CT, abdomen/pelvis · Axial slice 26/83 · 768x768 px · 38-year-old female patient · scan has 15 labeled organs (counted over the whole 3D scan, not this slice; an organ is boxed only where this slice passes through it)
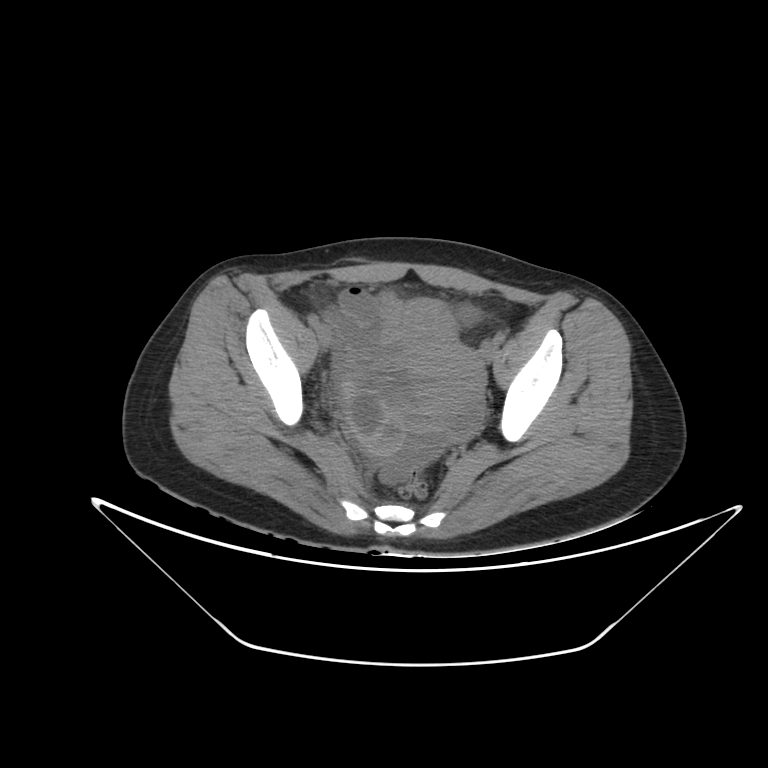 Boxes: x1:y1:x2:y2 in pixels. Labeled organs on this slice: prostate/uterus at 411:341:484:420.